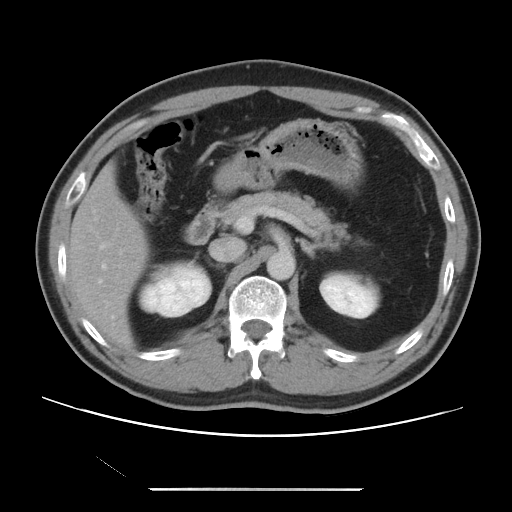

Abdominal CT · axial view · 15 organs annotated in this scan (counted over the whole 3D scan, not this slice; an organ is boxed only where this slice passes through it)
<organs><organ name="right kidney" x1="139" y1="262" x2="211" y2="317"/><organ name="left kidney" x1="319" y1="272" x2="379" y2="318"/><organ name="liver" x1="68" y1="160" x2="149" y2="348"/><organ name="stomach" x1="213" y1="118" x2="361" y2="193"/><organ name="aorta" x1="267" y1="251" x2="295" y2="280"/><organ name="inferior vena cava" x1="209" y1="236" x2="246" y2="262"/><organ name="pancreas" x1="219" y1="191" x2="351" y2="249"/><organ name="left adrenal gland" x1="299" y1="238" x2="326" y2="257"/><organ name="duodenum" x1="185" y1="201" x2="218" y2="244"/></organs>